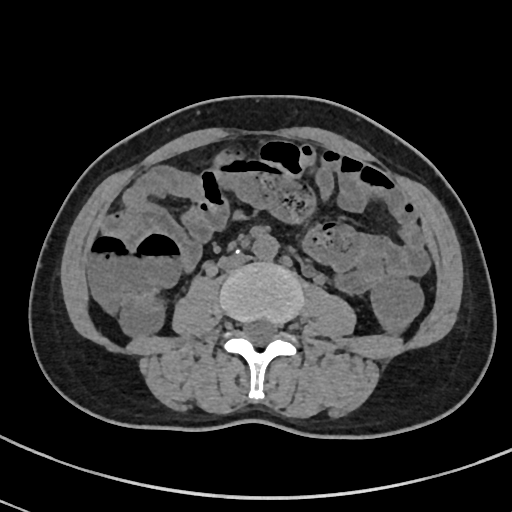
CT abdomen. axial view. 512x512 px
Organ boxes in pixel coordinates; each row gives the top-left (x1, y1) and bottom-right (x2, y2) corners.
| organ | x1 | y1 | x2 | y2 |
|---|---|---|---|---|
| aorta | 252 | 232 | 278 | 259 |
| inferior vena cava | 219 | 253 | 252 | 266 |